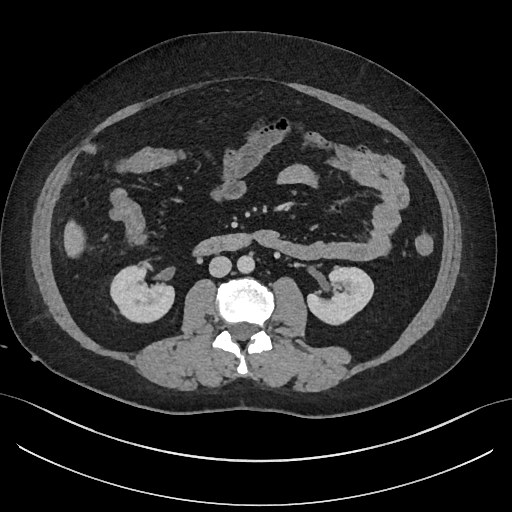

CT, abdomen/pelvis · axial view · SOMATOM Force scanner · 15 organs annotated in this scan (that count is for the whole scan; organs this slice misses have no box)
One row per box, in pixels: columns x1 and y1 give the top-left corner, x2 and y2 the bottom-right.
| organ | x1 | y1 | x2 | y2 |
|---|---|---|---|---|
| right kidney | 110 | 266 | 174 | 322 |
| left kidney | 307 | 267 | 373 | 324 |
| liver | 63 | 220 | 85 | 257 |
| aorta | 237 | 255 | 254 | 273 |
| inferior vena cava | 209 | 256 | 231 | 277 |
| duodenum | 193 | 234 | 251 | 255 |